Computed tomography, abdomen; axial view; 512x512 px; 56-year-old female patient
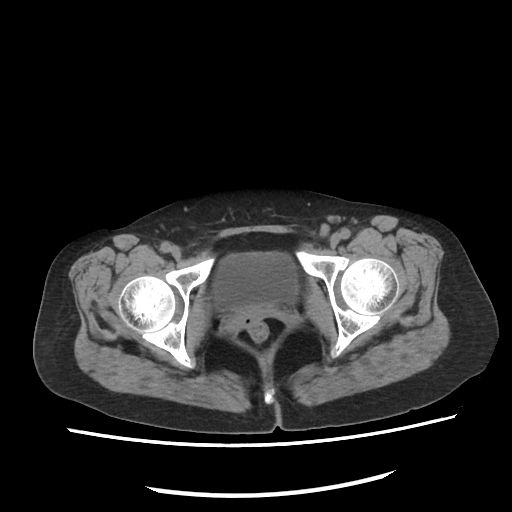
<organs><organ name="bladder" x1="212" y1="253" x2="296" y2="309"/></organs>